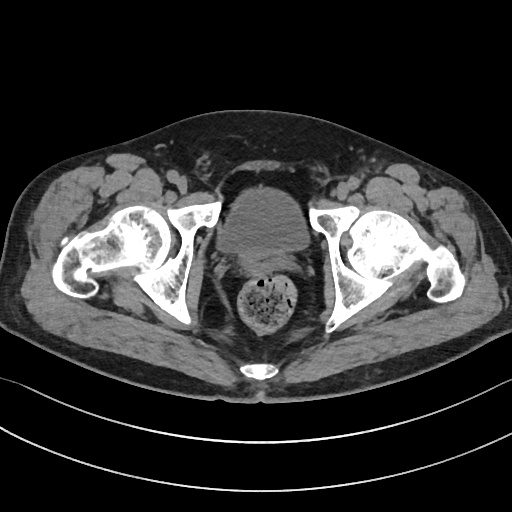

Computed tomography, abdomen · axial view
Boxes: x1:y1:x2:y2 in pixels.
bladder: 220:188:309:250
prostate/uterus: 239:248:286:273